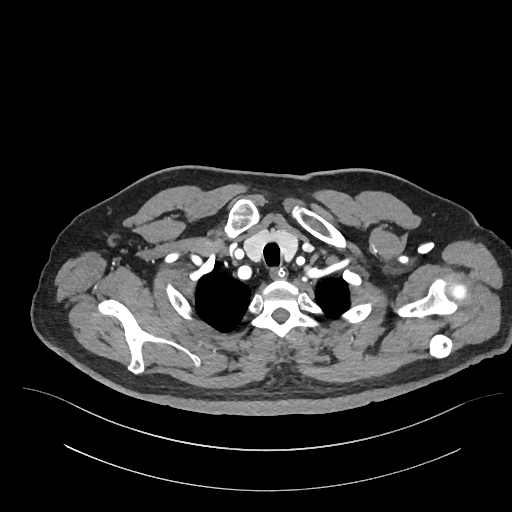
Abdominal CT reaching into the chest; this slice is in the chest. axial plane, index 315. soft-tissue window (W 400 / L 40). acquired on SOMATOM Force
At this level of the chest this dataset labels only the esophagus and the aorta, and each is boxed only where it is labeled; the heart and lungs are never labeled.
{"organs":{"esophagus":[270,267,285,277]}}